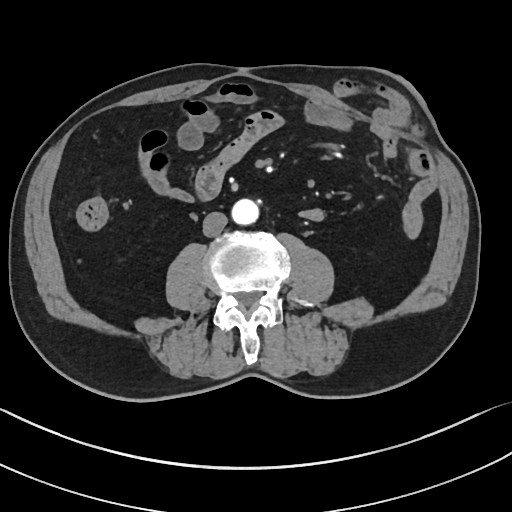
CT, abdomen/pelvis · axial view · soft-tissue window
<organs><organ name="aorta" x1="232" y1="198" x2="258" y2="225"/><organ name="inferior vena cava" x1="202" y1="212" x2="227" y2="237"/></organs>